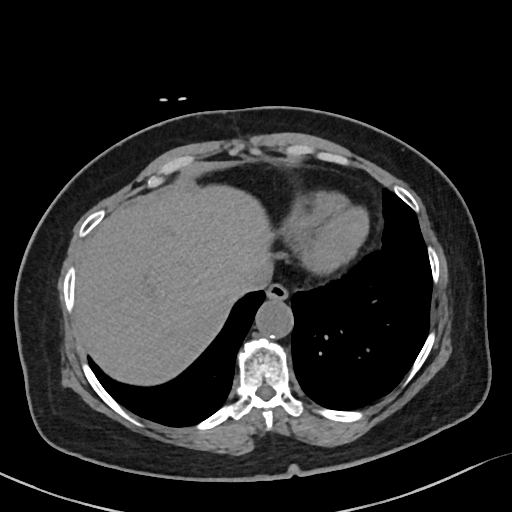 CT abdomen; axial plane, index 174; SOMATOM Force scanner
Boxes: x1 y1 x2 y2 (pixel coords, space-separated).
Organ bounding boxes:
- esophagus: 267 283 288 299
- liver: 74 187 273 384
- aorta: 255 299 292 338
- inferior vena cava: 235 269 268 296